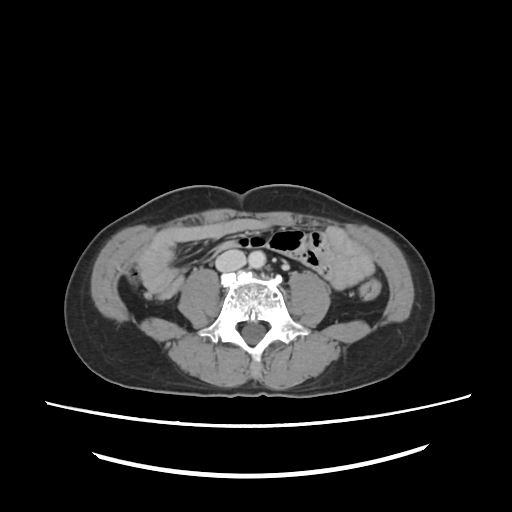 Computed tomography, abdomen. axial view. W/L 400/40 HU
Boxes: x1 y1 x2 y2 (pixel coords, space-separated).
aorta: 249 251 266 268
inferior vena cava: 215 247 246 271